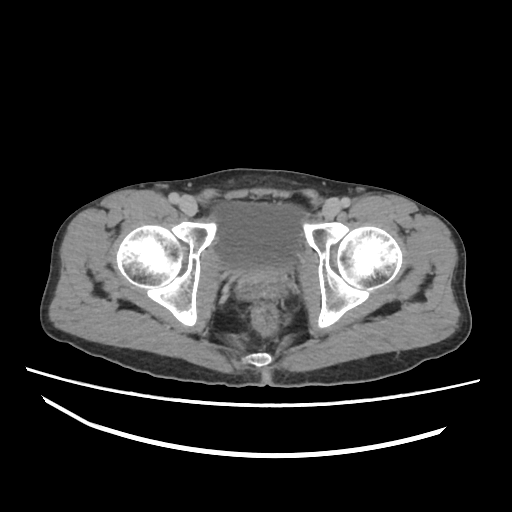 Computed tomography, abdomen — axial plane, index 21 — 40-year-old male patient — Aquilion ONE scanner
Coordinates as <box>x1,y1,x2,y2</box> in pixels. The annotated organs in this slice are: bladder at <box>209,197,305,274</box>, prostate/uterus at <box>239,274,286,286</box>.